Magnetic resonance imaging, abdomen · coronal acquisition · percentile-normalized
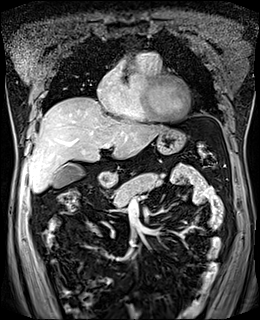

{"organs":{"pancreas":[114,172,162,207],"gall bladder":[52,163,83,188],"liver":[28,97,166,192],"duodenum":[106,173,113,186],"stomach":[97,128,186,185]}}